Chest-level CT slice, above the liver and spleen. axial view. 512x512 px
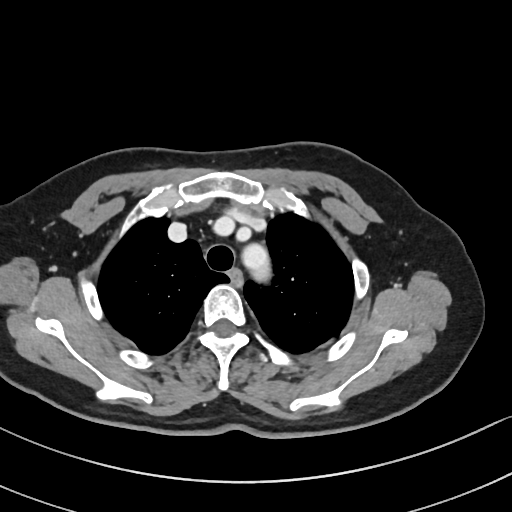
At this level of the chest this dataset labels only the esophagus and the aorta, and each is boxed only where it is labeled; the heart and lungs are never labeled. Each box given as x1,y1,x2,y2. Labeled organs on this slice: esophagus at x1=231, y1=272, x2=241, y2=285.